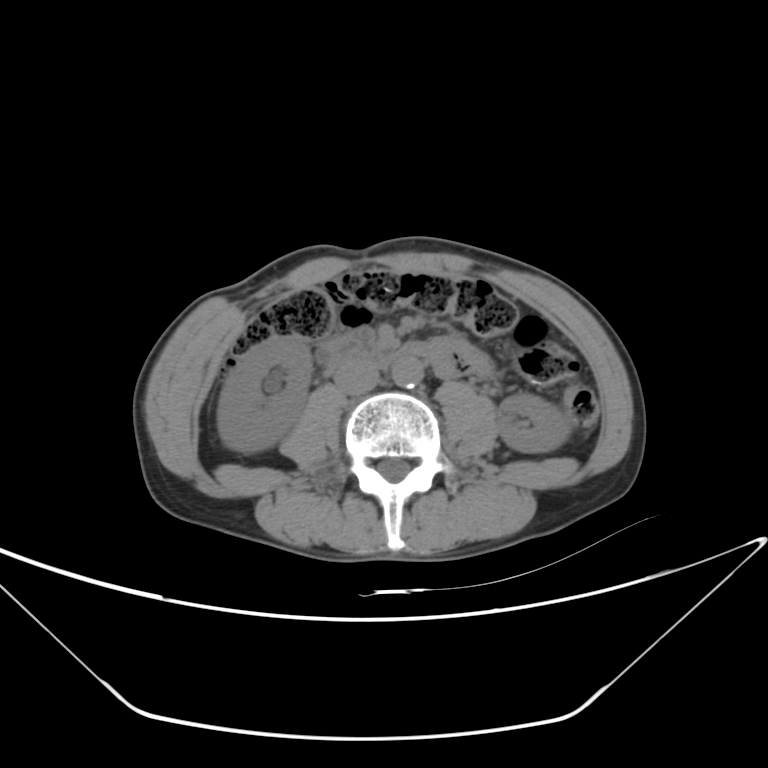
CT abdomen. axial view. abdomen soft-tissue window. 768x768 px. scan has 15 labeled organs (a whole-scan count: organs this slice does not pass through have no box)
Bounding boxes in pixels, one row per box: x1, y1 is the top-left corner and x2, y2 the bottom-right.
| organ | x1 | y1 | x2 | y2 |
|---|---|---|---|---|
| right kidney | 217 | 336 | 311 | 453 |
| left kidney | 497 | 392 | 570 | 453 |
| aorta | 391 | 356 | 422 | 387 |
| inferior vena cava | 334 | 362 | 379 | 395 |
| duodenum | 322 | 329 | 428 | 364 |